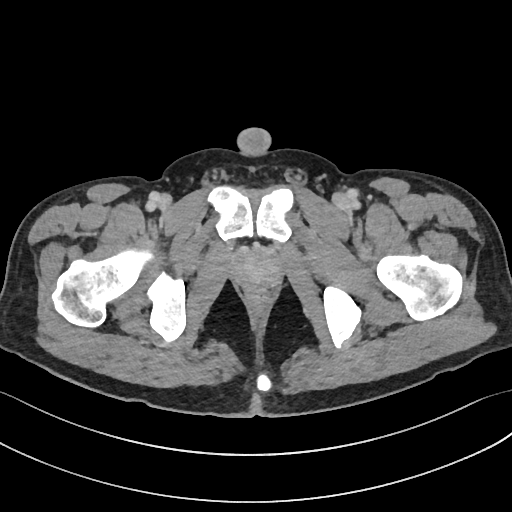 Abdominal CT. axial view. abdomen soft-tissue window. 512x512 px
Bounding boxes in pixels, one row per box: x1, y1 is the top-left corner and x2, y2 the bottom-right.
| organ | x1 | y1 | x2 | y2 |
|---|---|---|---|---|
| prostate/uterus | 234 | 250 | 279 | 287 |